CT abdomen; axial view; W/L 400/40 HU
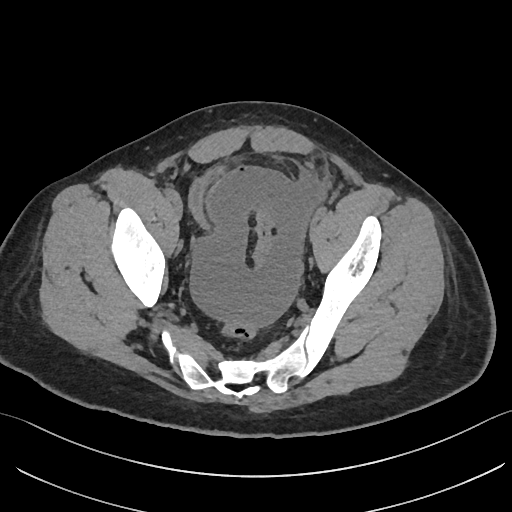

{"organs":{"bladder":[190,165,228,228]}}